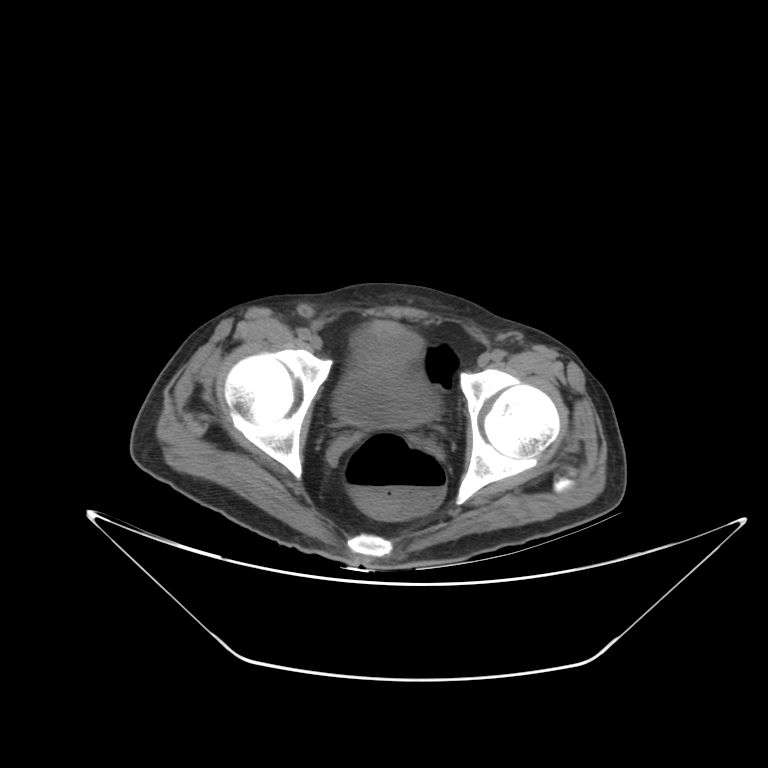

Abdominal CT; axial view; 768x768 px; 55-year-old male patient
<organs><organ name="bladder" x1="333" y1="324" x2="437" y2="427"/></organs>